Computed tomography, abdomen; axial plane, index 122; 512x512 px; SOMATOM Force scanner
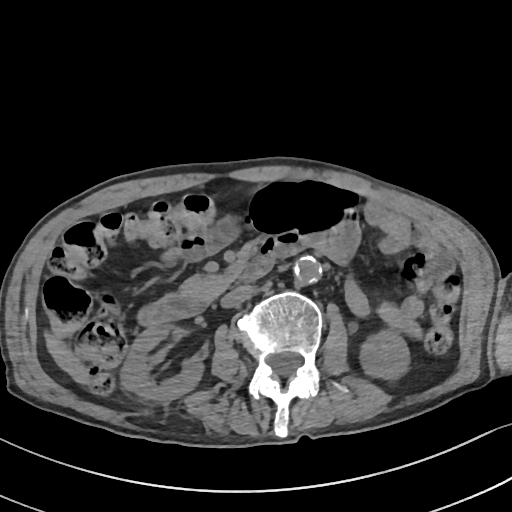

Bounding boxes as [x1, y1, x2, y2] in pixel coordinates.
right kidney: [122, 321, 201, 402]
left kidney: [362, 331, 407, 378]
liver: [46, 334, 91, 383]
aorta: [294, 256, 321, 284]
inferior vena cava: [222, 284, 253, 307]
pancreas: [181, 273, 234, 303]
duodenum: [139, 240, 299, 325]